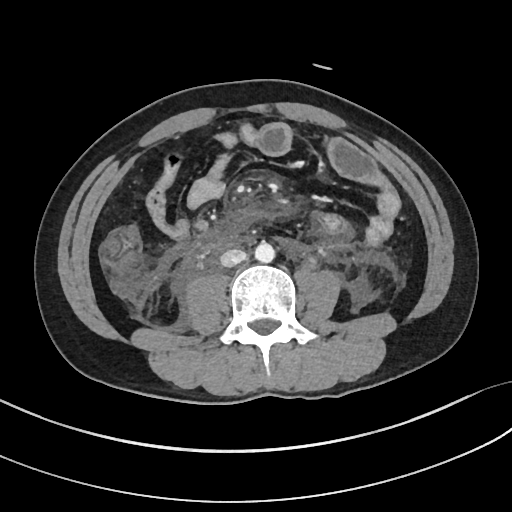 Abdominal CT. axial view. acquired on SOMATOM Force
Each box given as x1,y1,x2,y2.
aorta: x1=255, y1=242, x2=275, y2=262
inferior vena cava: x1=220, y1=249, x2=247, y2=267